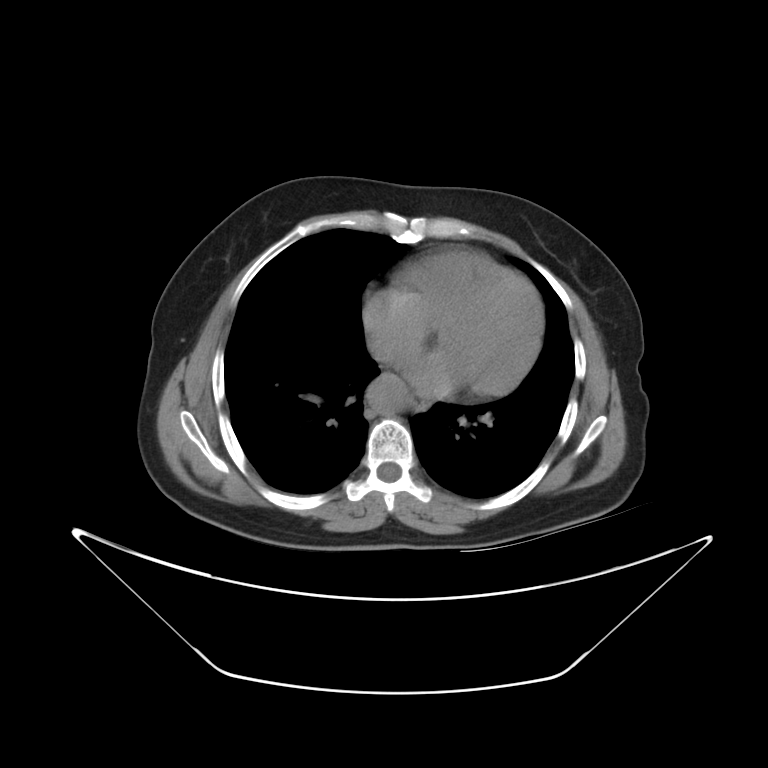
Abdominal CT; this slice is in the lower chest, just above the liver; axial view; 768x768 px; 56-year-old female patient
The heart and lungs are never labeled in this dataset, so they have no box on this slice. Box edges are left/top/right/bottom in pixels. 2 labeled organs on this slice — esophagus at left=409, top=389, right=431, bottom=413; aorta at left=367, top=371, right=408, bottom=412.